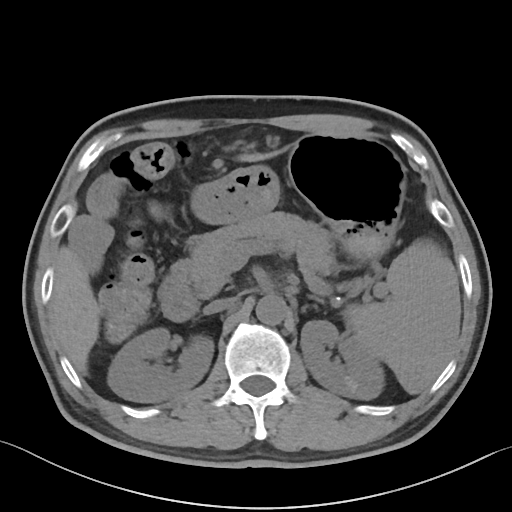 Computed tomography, abdomen — axial plane, index 71 — 512x512 px
Boxes: x1:y1:x2:y2 in pixels.
spleen: 343:241:460:393
right kidney: 107:328:213:402
left kidney: 300:320:384:399
liver: 52:150:281:374
stomach: 191:134:405:261
aorta: 256:295:286:325
inferior vena cava: 203:298:235:314
pancreas: 176:212:335:297
left adrenal gland: 311:297:321:301
duodenum: 158:264:198:321